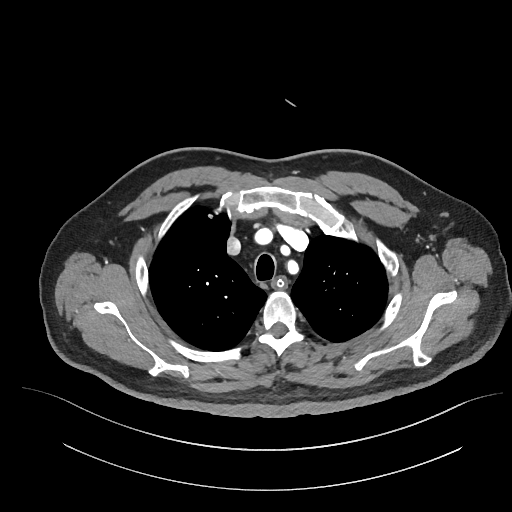

Abdominal CT reaching into the chest; this slice is in the chest; axial plane, index 301; W/L 400/40 HU
At this level of the chest no structure but the esophagus and the aorta has a label in this dataset, and those two are boxed only where they are labeled.
Organ boxes in pixel coordinates; each row gives the top-left (x1, y1) and bottom-right (x2, y2) corners.
| organ | x1 | y1 | x2 | y2 |
|---|---|---|---|---|
| esophagus | 275 | 277 | 286 | 288 |